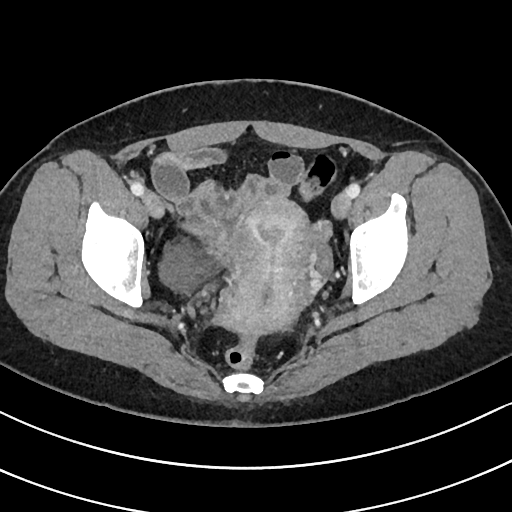
Computed tomography, abdomen; axial view; 512x512 px; 15 organs annotated in this scan (a whole-scan count: organs this slice does not pass through have no box)
Each box given as x1,y1,x2,y2. The annotated organs in this slice are: prostate/uterus at x1=217, y1=196, x2=313, y2=335, bladder at x1=159, y1=245, x2=209, y2=291.